Abdominal CT — axial view
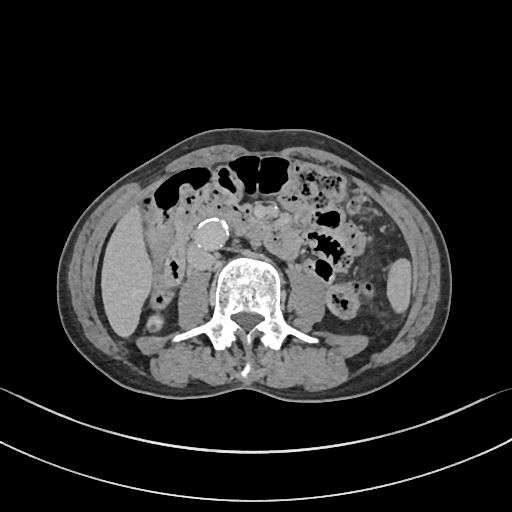
{"organs":{"spleen":[386,257,411,313],"right kidney":[145,312,164,333],"liver":[101,204,154,338],"aorta":[194,217,226,250],"inferior vena cava":[187,247,214,271],"duodenum":[204,201,302,258]}}